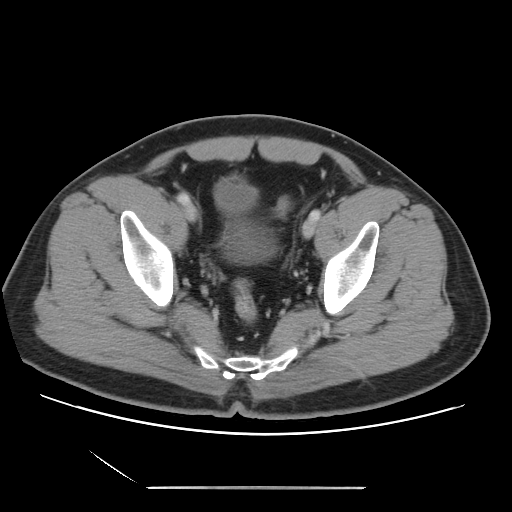
CT, abdomen/pelvis. axial plane, index 23. scan has 15 labeled organs (a whole-scan count: organs this slice does not pass through have no box)
Boxes: x1 y1 x2 y2 (pixel coords, space-separated).
Organ bounding boxes:
- bladder: 214 176 275 262